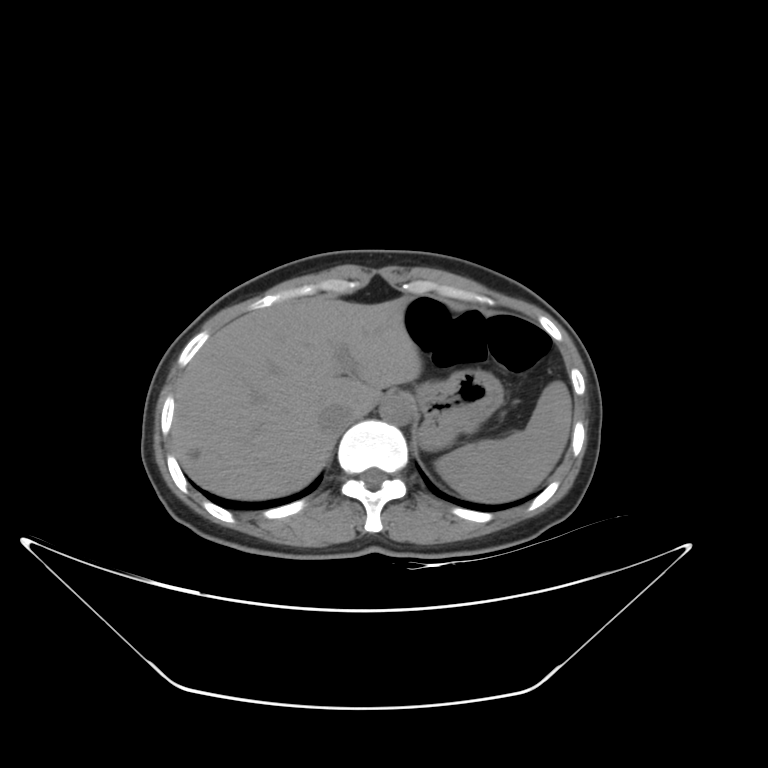 Computed tomography, abdomen · axial plane, index 82 · 768x768 px · 43-year-old female patient · acquired on Brilliance16
Boxes: x1 y1 x2 y2 (pixel coords, space-separated).
Organ bounding boxes:
- aorta: 380 395 413 425
- spleen: 436 380 572 501
- inferior vena cava: 319 404 355 432
- stomach: 415 369 503 450
- liver: 171 296 421 499